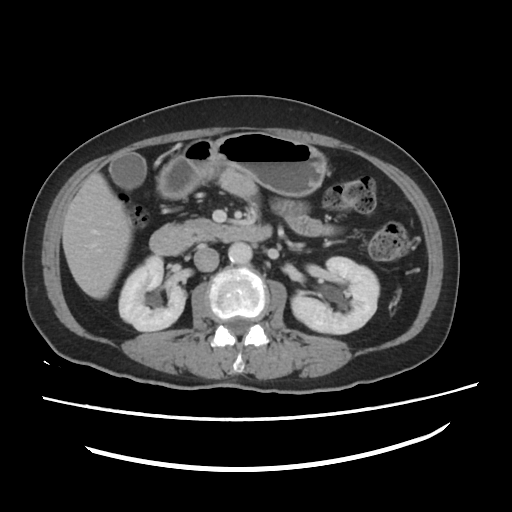

CT abdomen · axial view · 512x512 px · 61-year-old female patient
Each box given as x1,y1,x2,y2.
Organ bounding boxes:
- left kidney: x1=291, y1=257, x2=378, y2=333
- inferior vena cava: x1=193, y1=244, x2=219, y2=270
- aorta: x1=228, y1=242, x2=252, y2=262
- gall bladder: x1=109, y1=153, x2=146, y2=187
- duodenum: x1=150, y1=224, x2=272, y2=255
- liver: x1=63, y1=173, x2=131, y2=299
- stomach: x1=155, y1=133, x2=327, y2=198
- pancreas: x1=182, y1=217, x2=219, y2=233
- right kidney: x1=118, y1=255, x2=185, y2=331